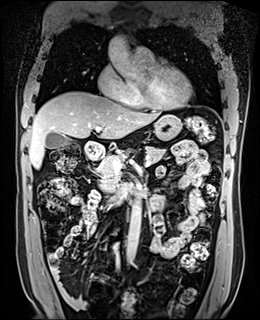 Abdominal MR. coronal view
{"organs":{"gall bladder":[46,132,70,148],"liver":[29,91,162,168],"stomach":[154,114,181,140],"aorta":[[107,37,146,82],[127,197,141,261]],"pancreas":[98,146,166,193],"duodenum":[84,140,132,201]}}